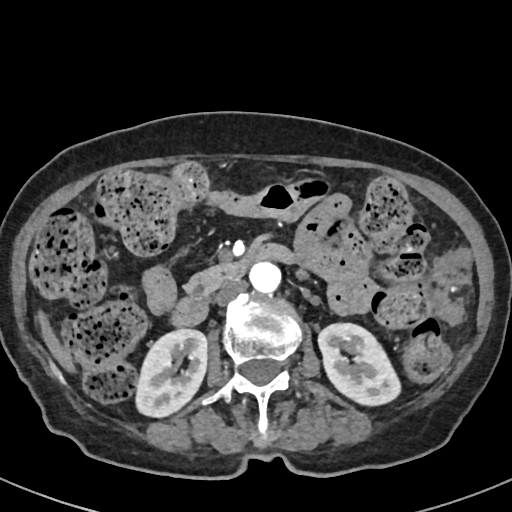

Computed tomography, abdomen — Axial slice 127/279 — abdomen soft-tissue window
Organ boxes in pixel coordinates; each row gives the top-left (x1, y1) and bottom-right (x2, y2) corners.
| organ | x1 | y1 | x2 | y2 |
|---|---|---|---|---|
| right kidney | 135 | 329 | 207 | 416 |
| left kidney | 319 | 324 | 400 | 403 |
| liver | 38 | 308 | 77 | 374 |
| aorta | 249 | 261 | 280 | 291 |
| inferior vena cava | 215 | 279 | 247 | 305 |
| pancreas | 188 | 260 | 242 | 292 |
| duodenum | 172 | 244 | 293 | 326 |